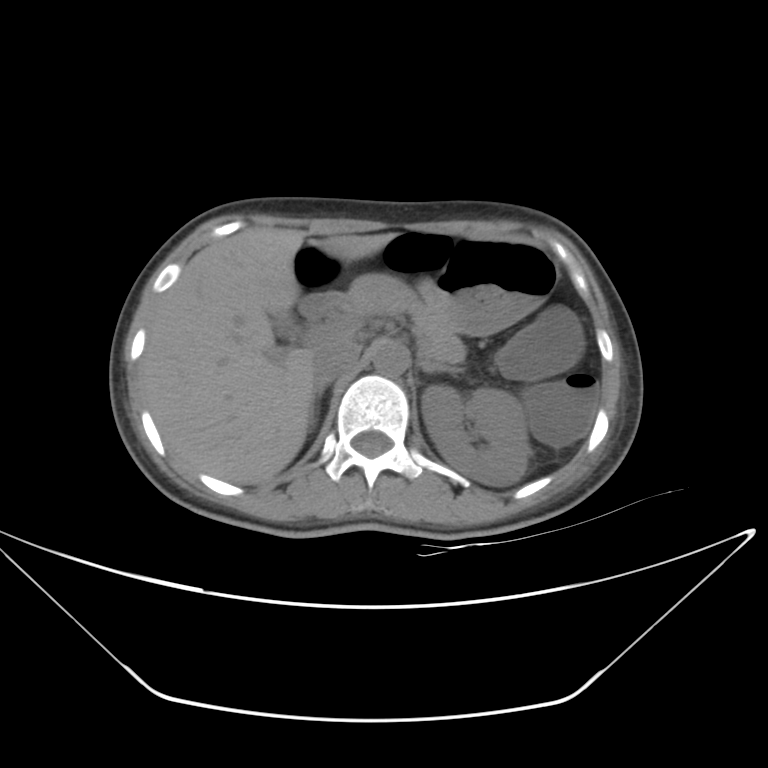
Computed tomography, abdomen · axial view · soft-tissue window · 768x768 px · 32-year-old female patient
<organs><organ name="stomach" x1="359" y1="239" x2="557" y2="335"/><organ name="duodenum" x1="302" y1="294" x2="342" y2="320"/><organ name="right adrenal gland" x1="310" y1="383" x2="326" y2="431"/><organ name="pancreas" x1="343" y1="279" x2="465" y2="363"/><organ name="left kidney" x1="421" y1="385" x2="530" y2="485"/><organ name="liver" x1="140" y1="226" x2="396" y2="484"/><organ name="left adrenal gland" x1="422" y1="362" x2="462" y2="373"/><organ name="inferior vena cava" x1="311" y1="342" x2="360" y2="384"/><organ name="aorta" x1="372" y1="343" x2="408" y2="376"/><organ name="gall bladder" x1="274" y1="315" x2="297" y2="336"/></organs>